Computed tomography, abdomen. axial view. soft-tissue window (W 400 / L 40). 512x512 px
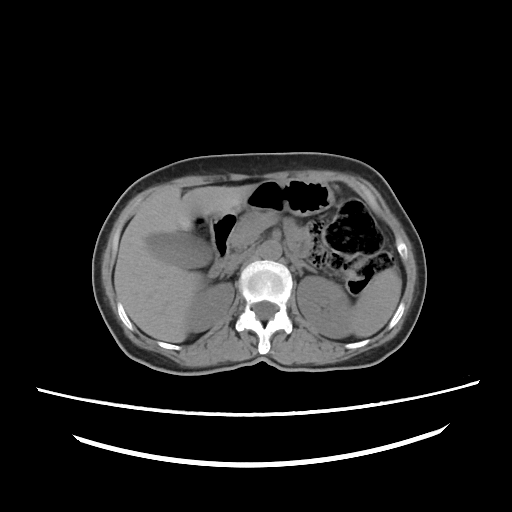
Boxes are (x1, y1, x2, y2) in pixels.
aorta: (258, 240, 281, 259)
pancreas: (230, 211, 277, 250)
left adrenal gland: (293, 259, 316, 275)
left kidney: (297, 276, 351, 338)
duodenum: (208, 211, 236, 277)
liver: (114, 185, 255, 342)
right kidney: (186, 282, 234, 331)
right adrenal gland: (220, 273, 229, 278)
inferior vena cava: (225, 251, 249, 272)
stomach: (235, 179, 333, 215)
spleen: (352, 273, 401, 337)
gall bladder: (146, 232, 210, 267)